Abdominal CT; this slice is in the lower chest, just above the liver; axial view; SOMATOM Force scanner; 15 organs annotated in this scan (counted over the whole 3D scan, not this slice; an organ is boxed only where this slice passes through it)
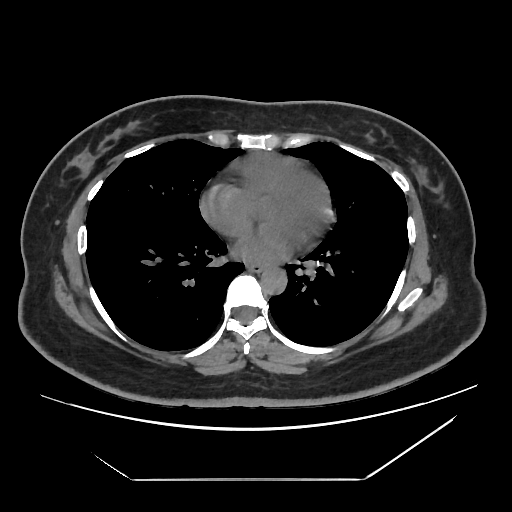
Of the structures in the chest, this dataset labels only the esophagus, the aorta and the inferior vena cava; the heart and lungs have no label.
<organs><organ name="esophagus" x1="247" y1="264" x2="262" y2="271"/><organ name="aorta" x1="261" y1="267" x2="287" y2="294"/></organs>